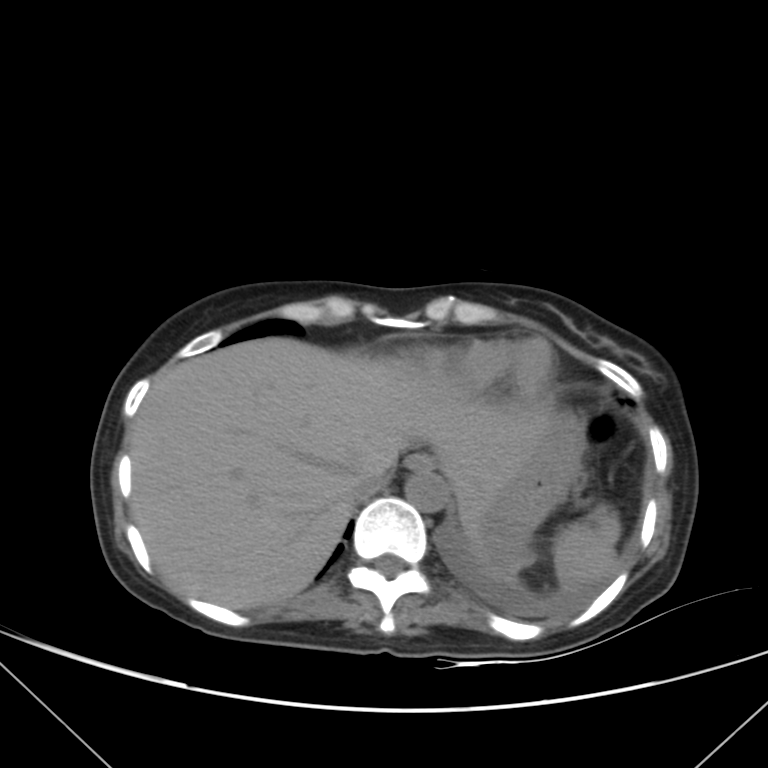 CT abdomen · Axial slice 80/94
Organ boxes in pixel coordinates; each row gives the top-left (x1, y1) and bottom-right (x2, y2) corners.
| organ | x1 | y1 | x2 | y2 |
|---|---|---|---|---|
| spleen | 553 | 506 | 620 | 589 |
| esophagus | 406 | 453 | 434 | 471 |
| stomach | 474 | 420 | 584 | 545 |
| liver | 129 | 337 | 552 | 608 |
| inferior vena cava | 351 | 469 | 390 | 500 |
| aorta | 404 | 472 | 449 | 512 |